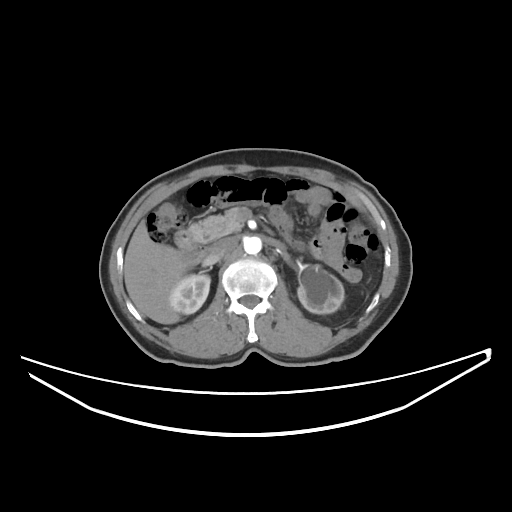
CT abdomen; axial view; W/L 400/40 HU
Box edges are left/top/right/bottom in pixels.
Organ bounding boxes:
- liver: left=124, top=219, right=189, bottom=324
- right kidney: left=169, top=273, right=210, bottom=314
- inferior vena cava: left=208, top=237, right=236, bottom=261
- pancreas: left=189, top=208, right=242, bottom=243
- left kidney: left=297, top=266, right=344, bottom=313
- aorta: left=243, top=236, right=261, bottom=254
- duodenum: left=175, top=230, right=207, bottom=257